Lower-chest slice from an abdominal CT, just above the liver and spleen. axial view. soft-tissue window (W 400 / L 40). 45-year-old male patient
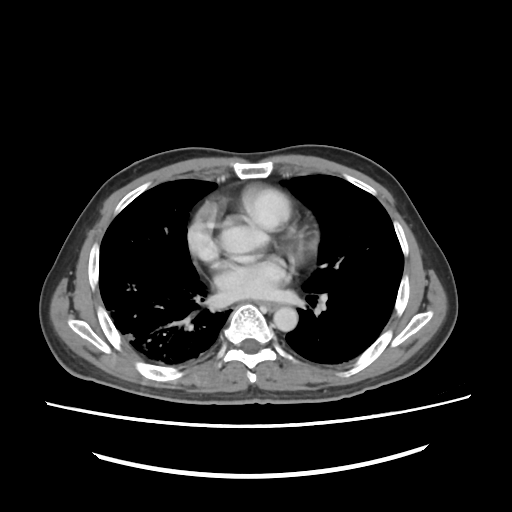

No part of the heart or lungs is labeled in this dataset, so neither has a box here.
Bounding boxes as [x1, y1, x2, y2] in pixel coordinates.
aorta: [274, 307, 296, 331]